Abdominal MRI · axial plane, index 9 · 13 organs annotated in this scan (counted over the whole 3D scan, not this slice; an organ is boxed only where this slice passes through it)
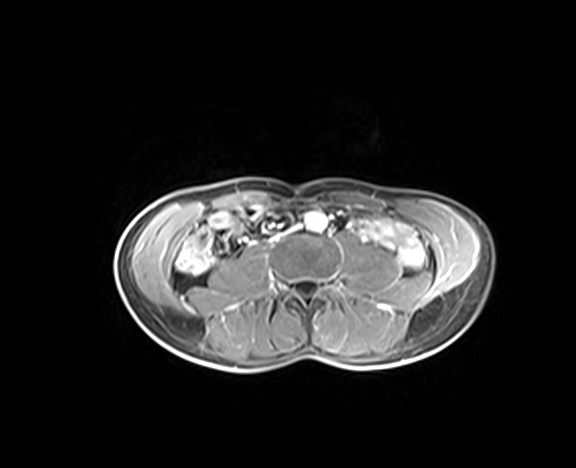
Box edges are left/top/right/bottom in pixels.
Organ bounding boxes:
- aorta: left=305, top=212, right=326, bottom=230